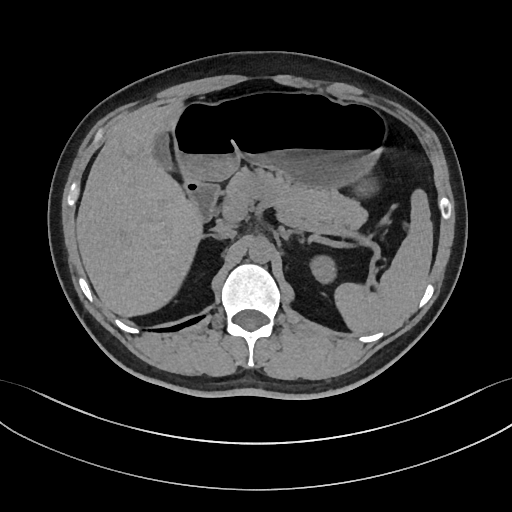

Abdominal CT · axial view · 512x512 px
<organs><organ name="left adrenal gland" x1="279" y1="227" x2="303" y2="245"/><organ name="pancreas" x1="221" y1="167" x2="368" y2="231"/><organ name="duodenum" x1="182" y1="177" x2="219" y2="222"/><organ name="liver" x1="76" y1="102" x2="201" y2="315"/><organ name="gall bladder" x1="153" y1="132" x2="170" y2="168"/><organ name="spleen" x1="336" y1="189" x2="432" y2="334"/><organ name="aorta" x1="249" y1="238" x2="271" y2="263"/><organ name="right adrenal gland" x1="199" y1="233" x2="224" y2="239"/><organ name="left kidney" x1="311" y1="257" x2="336" y2="284"/><organ name="inferior vena cava" x1="211" y1="224" x2="236" y2="237"/><organ name="stomach" x1="172" y1="92" x2="385" y2="187"/></organs>